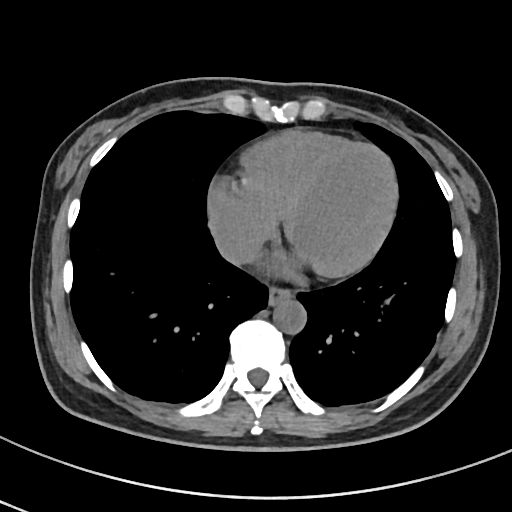 Lower-chest slice from an abdominal CT, just above the liver and spleen; axial view
Of the structures in the chest, this dataset labels only the esophagus, the aorta and the inferior vena cava; the heart and lungs have no label.
<organs><organ name="esophagus" x1="268" y1="288" x2="293" y2="306"/><organ name="aorta" x1="273" y1="299" x2="307" y2="334"/><organ name="inferior vena cava" x1="217" y1="236" x2="258" y2="262"/></organs>